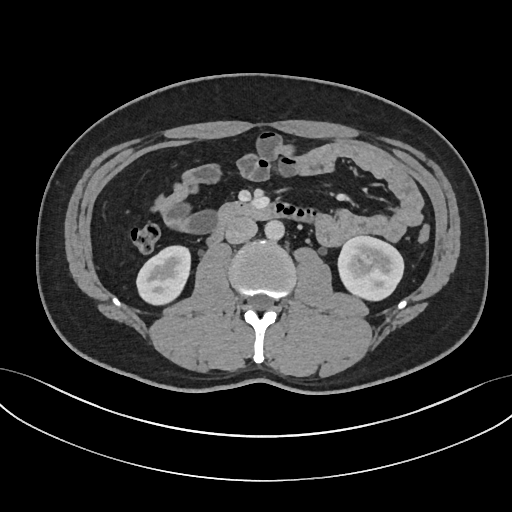

Abdominal CT. axial view. soft-tissue window (W 400 / L 40). 512x512 px
Box edges are left/top/right/bottom in pixels.
right kidney: left=136, top=246, right=190, bottom=304
left kidney: left=338, top=236, right=403, bottom=300
aorta: left=264, top=219, right=284, bottom=240
inferior vena cava: left=225, top=218, right=257, bottom=243
duodenum: left=209, top=202, right=313, bottom=245